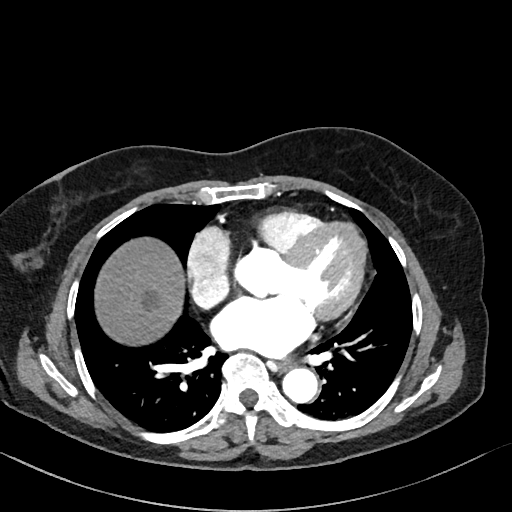 CT, abdomen/pelvis. axial view. abdomen soft-tissue window
{"organs":{"esophagus":[277,362,288,371],"liver":[95,239,185,343],"aorta":[282,367,319,403]}}